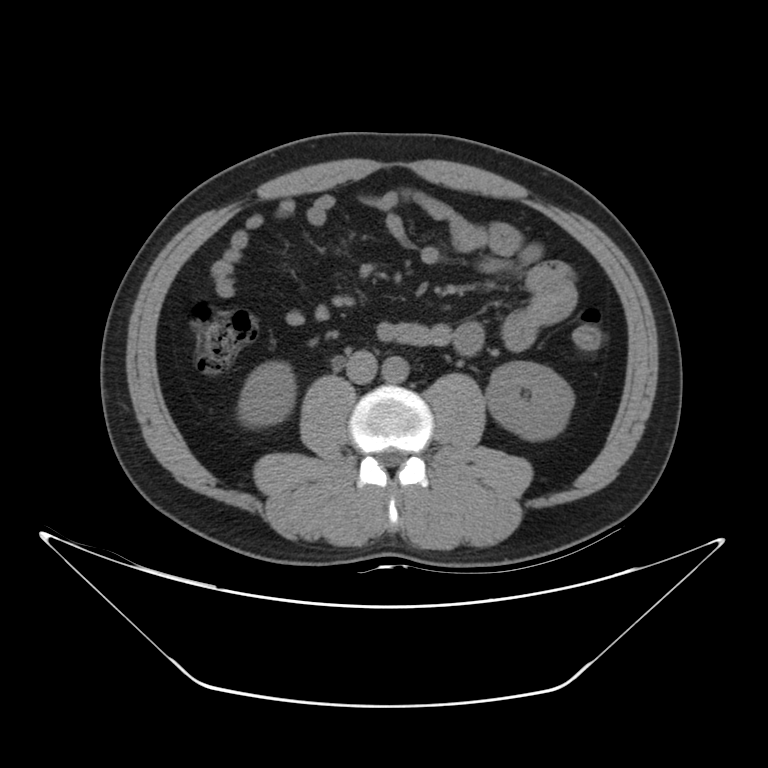 Abdominal CT · Axial slice 62/100 · soft-tissue window (W 400 / L 40) · 768x768 px
Boxes: x1 y1 x2 y2 (pixel coords, space-separated). Labeled organs on this slice: right kidney at 238 361 295 427, left kidney at 486 361 574 440, aorta at 382 356 408 382, inferior vena cava at 346 350 377 384.